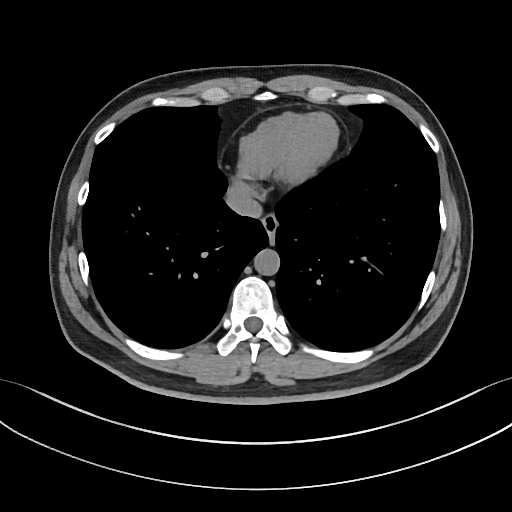
Lower-chest slice from an abdominal CT, just above the liver and spleen · axial view · soft-tissue window, W/L 400/40 · 512x512 px
No part of the heart or lungs is labeled in this dataset, so neither has a box here.
One row per box, in pixels: columns x1 and y1 give the top-left corner, x2 and y2 the bottom-right.
| organ | x1 | y1 | x2 | y2 |
|---|---|---|---|---|
| inferior vena cava | 225 | 182 | 262 | 218 |
| esophagus | 261 | 214 | 278 | 244 |
| aorta | 254 | 249 | 279 | 275 |